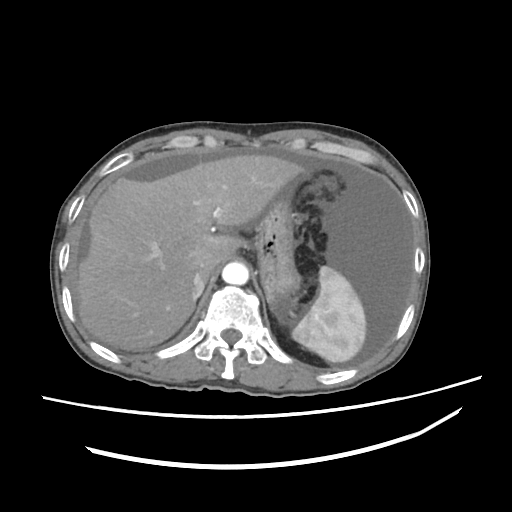
Computed tomography, abdomen — axial view — 512x512 px — 50-year-old male patient
Each box given as x1,y1,x2,y2. The annotated organs in this slice are: liver at x1=75, y1=156, x2=304, y2=350, spleen at x1=291, y1=264, x2=366, y2=363, stomach at x1=255, y1=195, x2=300, y2=297, inferior vena cava at x1=191, y1=269, x2=204, y2=293, aorta at x1=222, y1=261, x2=248, y2=285.